Abdominal CT. axial plane, index 136. soft-tissue window. 512x512 px. SOMATOM Force scanner. scan has 15 labeled organs (that count is for the whole scan; organs this slice misses have no box)
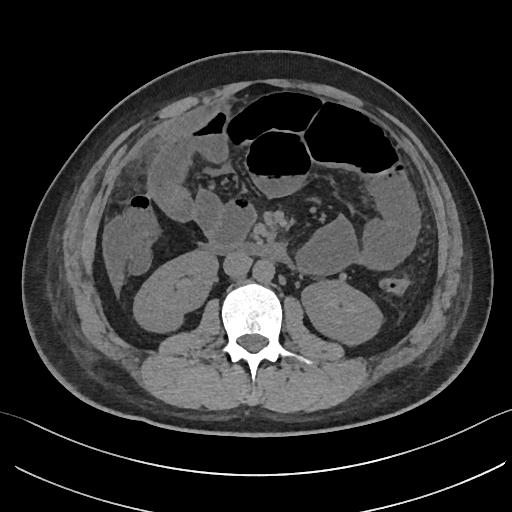

Boxes: x1 y1 x2 y2 (pixel coords, space-separated).
left kidney: 302 280 381 343
duodenum: 209 241 284 260
right kidney: 134 250 217 330
aorta: 252 259 274 281
inferior vena cava: 223 253 251 276